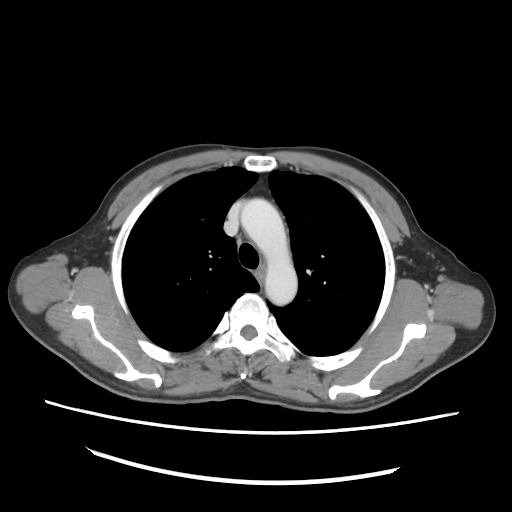

CT of the abdomen extending into the chest, slice through the chest. Axial slice 99/112. 61-year-old male patient
On a slice this high in the chest, this dataset labels only the esophagus and the aorta, and each is boxed only where it is labeled; the heart, lungs and other chest structures are not labeled.
<organs><organ name="esophagus" x1="254" y1="265" x2="265" y2="283"/><organ name="aorta" x1="241" y1="198" x2="297" y2="305"/></organs>